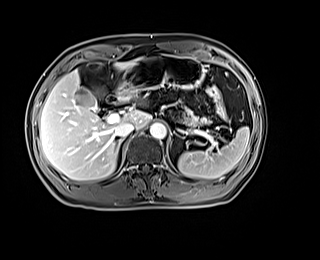 MRI, abdomen · axial view
Box edges are left/top/right/bottom in pixels.
pancreas: left=182, top=109, right=207, bottom=127
liver: left=40, top=59, right=150, bottom=180
inferior vena cava: left=115, top=122, right=134, bottom=137
aorta: left=150, top=123, right=166, bottom=139
stomach: left=117, top=52, right=204, bottom=98
right adrenal gland: left=116, top=139, right=122, bottom=153
gall bladder: left=77, top=88, right=97, bottom=109
spleen: left=178, top=127, right=249, bottom=178
duodenum: left=107, top=92, right=128, bottom=103